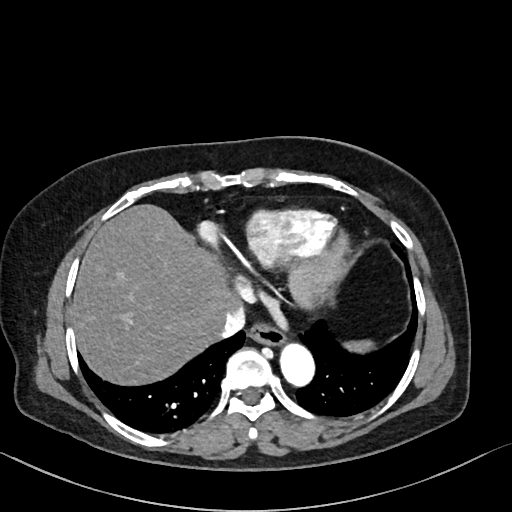

Abdominal CT — axial view — 512x512 px — acquired on SOMATOM Force — 15 organs annotated in this scan (that count is for the whole scan; organs this slice misses have no box)
Boxes: x1:y1:x2:y2 in pixels.
Organ bounding boxes:
- spleen: 344:340:373:352
- esophagus: 249:323:285:346
- liver: 72:204:235:385
- aorta: 280:344:314:386
- inferior vena cava: 205:299:244:340